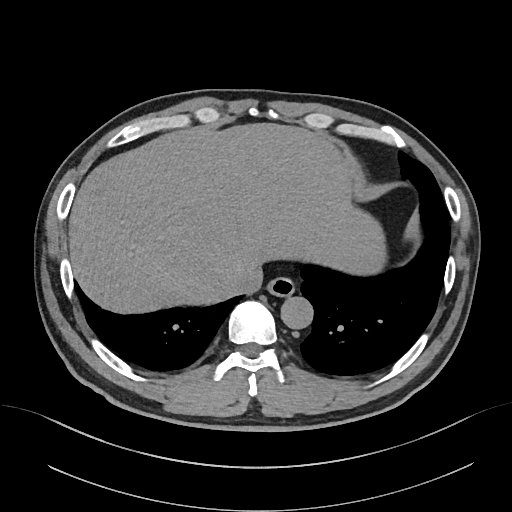

Computed tomography, abdomen — axial plane, index 231 — W/L 400/40 HU
Each box given as x1,y1,x2,y2.
Organ bounding boxes:
- esophagus: x1=267, y1=277, x2=295, y2=296
- liver: x1=68, y1=123, x2=385, y2=312
- aorta: x1=280, y1=296, x2=313, y2=329
- inferior vena cava: x1=227, y1=267, x2=262, y2=294